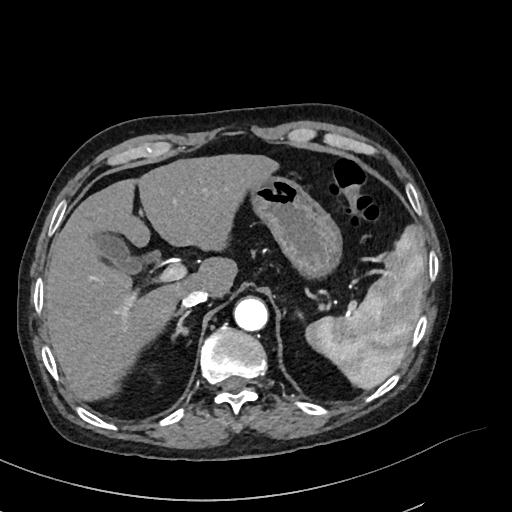
CT, abdomen/pelvis. axial plane, index 185
Coordinates as <box>x1,y1,x2,y2</box> in pixels. The annotated organs in this slice are: spleen at <box>304,227,425,389</box>, gall bladder at <box>89,230,159,272</box>, liver at <box>45,154,279,402</box>, stomach at <box>251,176,343,275</box>, aorta at <box>233,297,268,331</box>, inferior vena cava at <box>181,289,208,308</box>, right adrenal gland at <box>173,311,189,337</box>.